CT abdomen — axial view
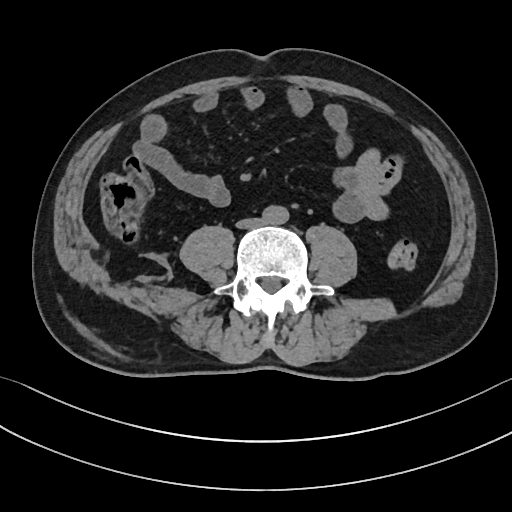 Organ boxes in pixel coordinates; each row gives the top-left (x1, y1) and bottom-right (x2, y2) corners.
| organ | x1 | y1 | x2 | y2 |
|---|---|---|---|---|
| inferior vena cava | 236 | 218 | 262 | 228 |
| aorta | 261 | 206 | 289 | 225 |